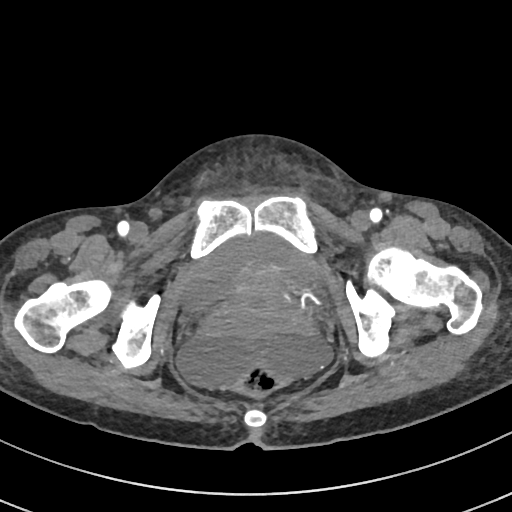
CT abdomen — Axial slice 19/237
{"organs":{"prostate/uterus":[224,263,294,320],"bladder":[183,232,325,310]}}